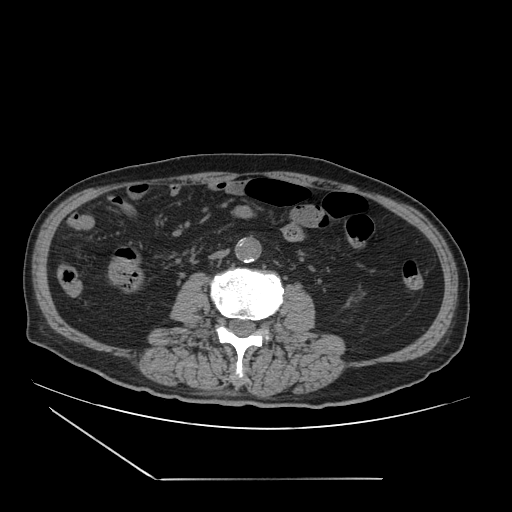

CT abdomen; axial view; soft-tissue window
Coordinates as <box>x1,y1,x2,y2</box> in pixels.
aorta: <box>234,237,261,262</box>
inferior vena cava: <box>209,249,228,260</box>